CT, abdomen/pelvis. axial plane, index 41. acquired on SOMATOM Force
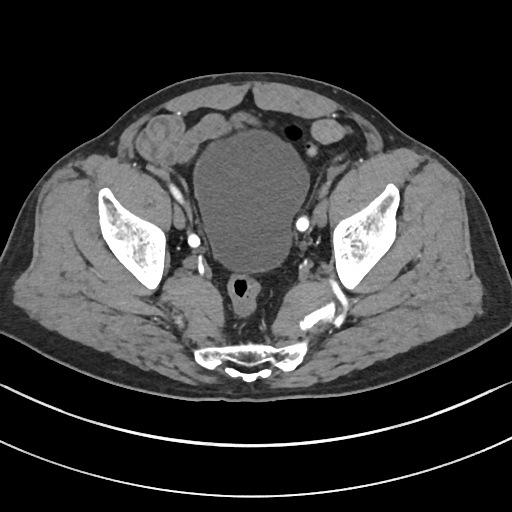

<organs><organ name="bladder" x1="194" y1="130" x2="309" y2="272"/></organs>